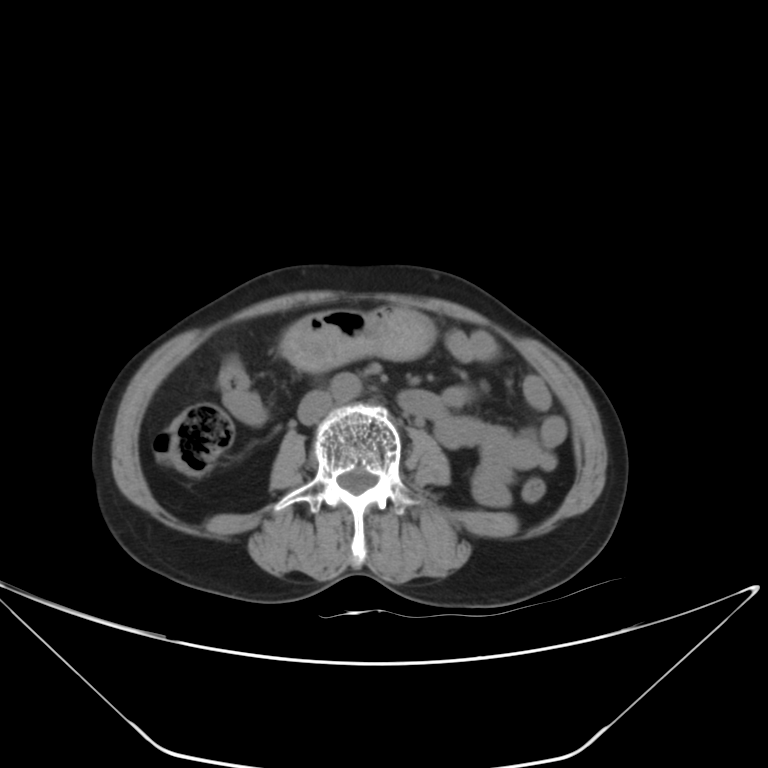
Computed tomography, abdomen; axial plane, index 46; soft-tissue window; 768x768 px
Box edges are left/top/right/bottom in pixels.
stomach: left=280, top=303, right=432, bottom=371
aorta: left=331, top=373, right=360, bottom=401
inferior vena cava: left=297, top=392, right=333, bottom=425